CT abdomen; Axial slice 161/212; soft-tissue window
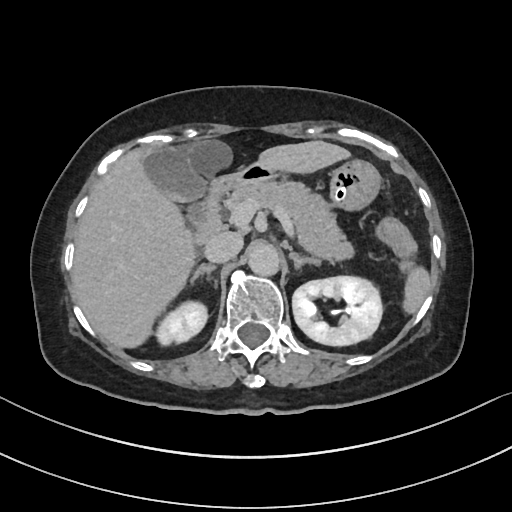

Boxes: x1:y1:x2:y2 in pixels.
duodenum: 194:162:277:242
right kidney: 156:300:207:345
stomach: 329:159:381:211
pancreas: 224:181:354:262
left kidney: 292:276:382:345
left adrenal gland: 289:252:319:269
aorta: 248:243:280:275
gall bladder: 145:149:207:215
spleen: 403:266:430:314
inferior vena cava: 204:232:243:263
liver: 72:140:350:348
right adrenal gland: 190:264:216:284